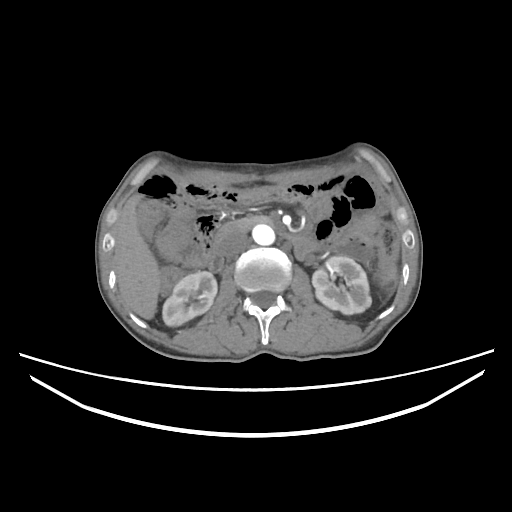

CT, abdomen/pelvis — axial view — 512x512 px — 50-year-old male patient
<organs><organ name="left kidney" x1="312" y1="256" x2="371" y2="314"/><organ name="pancreas" x1="230" y1="216" x2="263" y2="230"/><organ name="duodenum" x1="207" y1="217" x2="316" y2="271"/><organ name="aorta" x1="252" y1="224" x2="274" y2="245"/><organ name="inferior vena cava" x1="220" y1="230" x2="249" y2="257"/><organ name="right kidney" x1="162" y1="271" x2="217" y2="326"/><organ name="liver" x1="114" y1="193" x2="160" y2="319"/></organs>